Lower-chest slice from an abdominal CT, just above the liver and spleen — axial view — W/L 400/40 HU
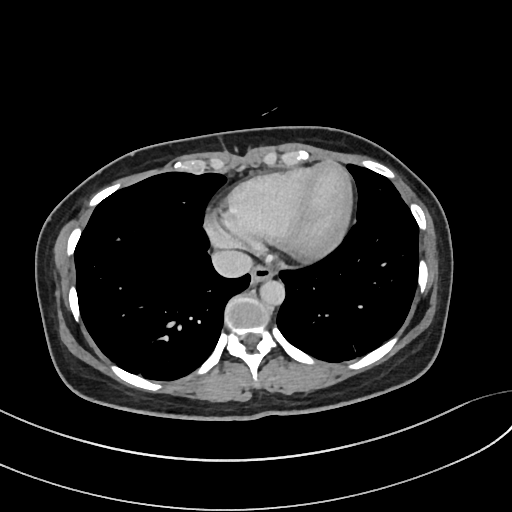 The heart and lungs are never labeled in this dataset, so they have no box on this slice.
Boxes: x1:y1:x2:y2 in pixels.
Organ bounding boxes:
- inferior vena cava: 211:250:252:278
- esophagus: 250:267:273:282
- aorta: 259:279:284:305